Computed tomography, abdomen. axial plane, index 148. W/L 400/40 HU
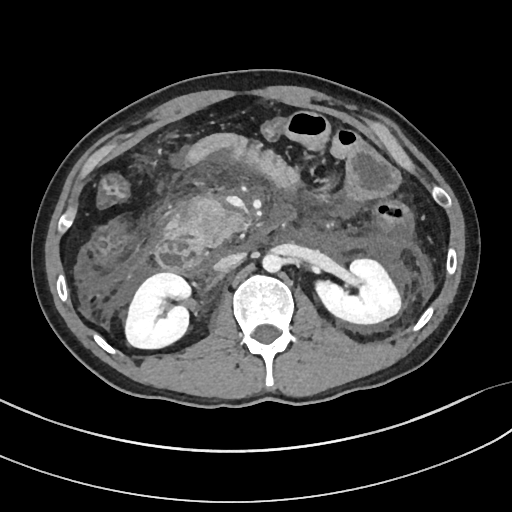

One row per box, in pixels: columns x1 and y1 give the top-left corner, x2 and y2 the bottom-right.
| organ | x1 | y1 | x2 | y2 |
|---|---|---|---|---|
| pancreas | 163 | 199 | 246 | 250 |
| duodenum | 155 | 238 | 209 | 276 |
| inferior vena cava | 214 | 253 | 243 | 271 |
| right kidney | 125 | 272 | 191 | 349 |
| left kidney | 312 | 259 | 400 | 324 |
| aorta | 262 | 254 | 283 | 273 |